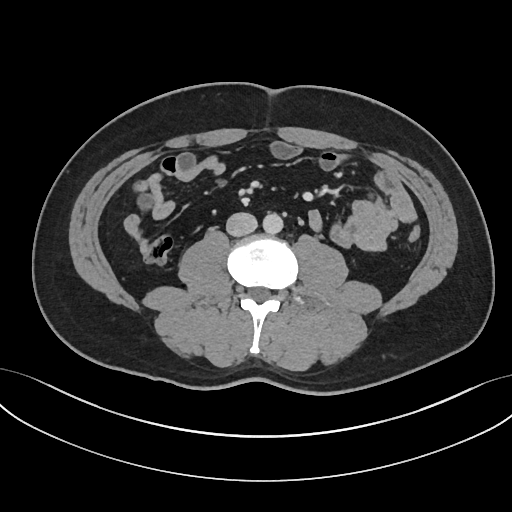
Computed tomography, abdomen — axial view
Bounding boxes in pixels, one row per box: x1, y1 is the top-left corner and x2, y2 the bottom-right.
| organ | x1 | y1 | x2 | y2 |
|---|---|---|---|---|
| inferior vena cava | 226 | 212 | 257 | 236 |
| aorta | 262 | 212 | 282 | 233 |